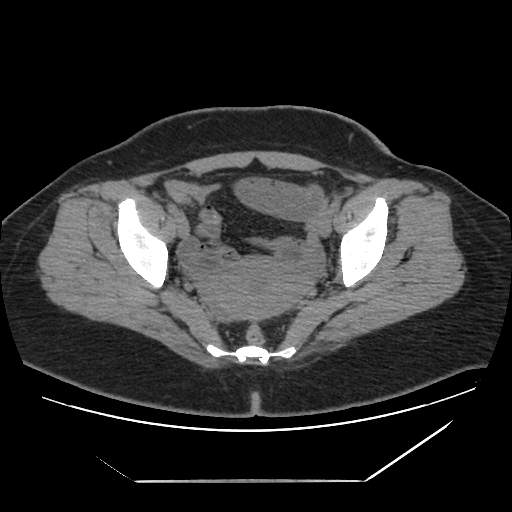 CT, abdomen/pelvis · axial plane, index 59 · 512x512 px
One row per box, in pixels: columns x1 and y1 give the top-left corner, x2 and y2 the bottom-right.
| organ | x1 | y1 | x2 | y2 |
|---|---|---|---|---|
| prostate/uterus | 201 | 258 | 306 | 321 |